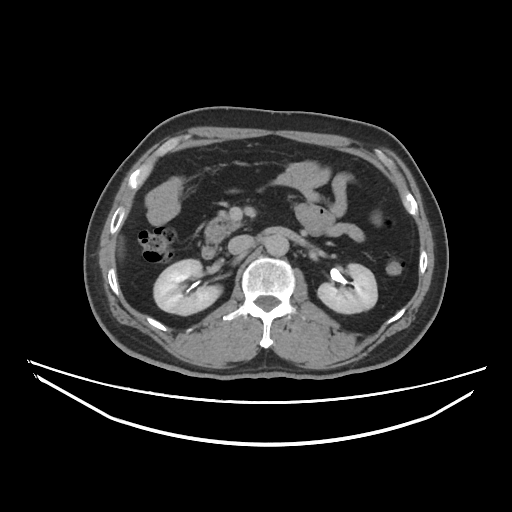
CT, abdomen/pelvis — axial view — soft-tissue window (W 400 / L 40) — 512x512 px
{"organs":{"right kidney":[153,258,222,316],"left kidney":[317,263,377,312],"liver":[121,239,122,241],"aorta":[265,232,288,256],"inferior vena cava":[228,234,253,252],"pancreas":[206,213,240,244],"duodenum":[202,247,214,258]}}